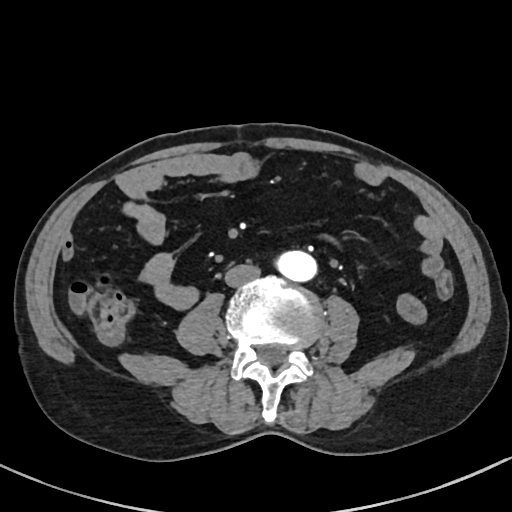
CT abdomen — axial view — acquired on SOMATOM Force
Organ boxes in pixel coordinates; each row gives the top-left (x1, y1) and bottom-right (x2, y2) corners.
| organ | x1 | y1 | x2 | y2 |
|---|---|---|---|---|
| aorta | 278 | 250 | 316 | 281 |
| inferior vena cava | 224 | 264 | 261 | 287 |